Abdominal CT · axial view · Aquilion ONE scanner
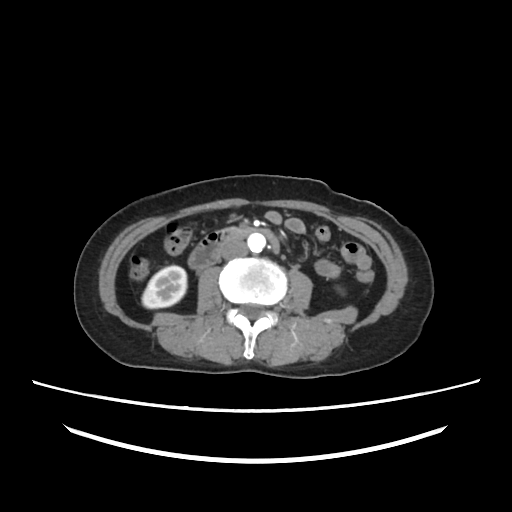
Each box given as x1,y1,x2,y2.
right kidney: x1=142, y1=265, x2=186, y2=308
aorta: x1=247, y1=233, x2=265, y2=252
duodenum: x1=188, y1=227, x2=279, y2=269
inferior vena cava: x1=221, y1=240, x2=247, y2=259